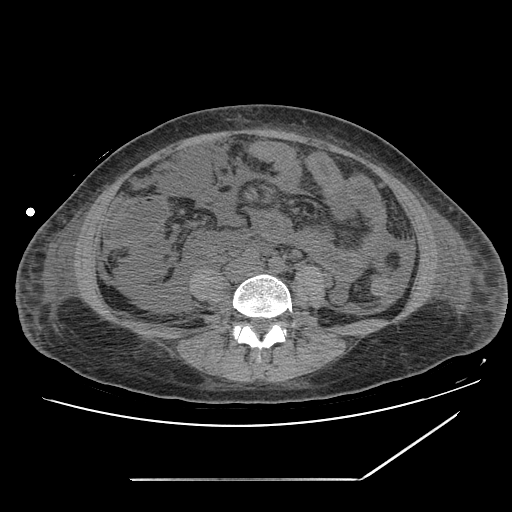

CT abdomen. Axial slice 74/191
Coordinates as <box>x1,y1,x2,y2</box> in pixels. 1 labeled organ on this slice — aorta at <box>249,255,251,257</box>.